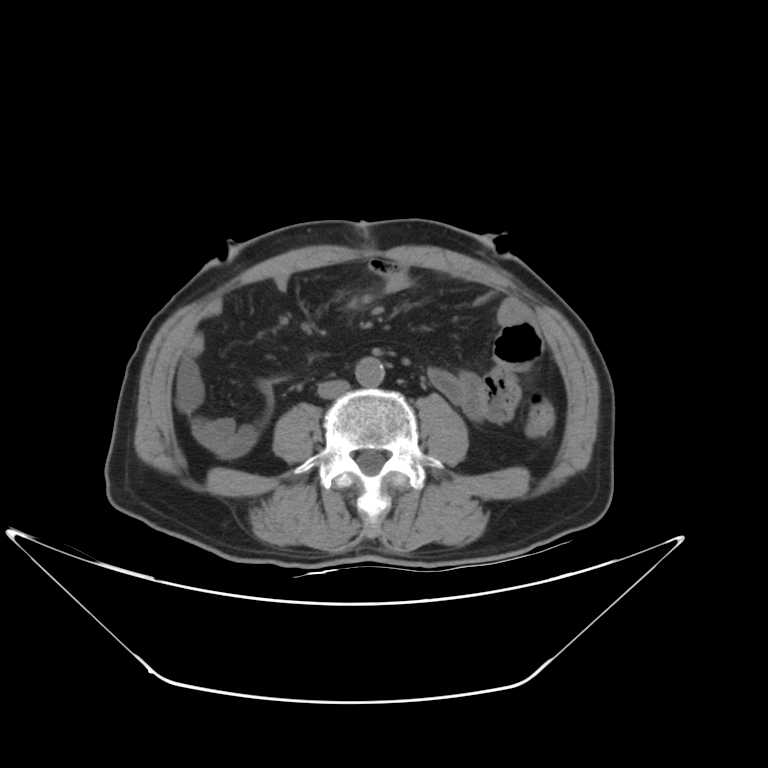
CT, abdomen/pelvis — axial view — soft-tissue window — 65-year-old male patient — Brilliance16 scanner
Boxes are (x1, y1, x2, y2) in pixels.
Organ bounding boxes:
- aorta: (355, 356, 384, 387)
- inferior vena cava: (318, 380, 349, 398)